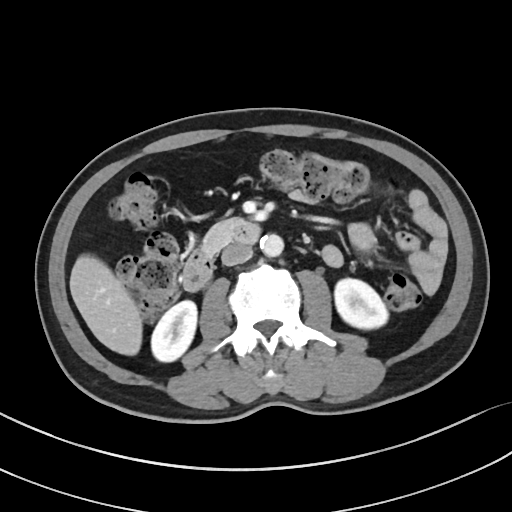 Abdominal CT. Axial slice 53/128. W/L 400/40 HU. 512x512 px
One row per box, in pixels: columns x1 and y1 give the top-left corner, x2 and y2 the bottom-right.
| organ | x1 | y1 | x2 | y2 |
|---|---|---|---|---|
| right kidney | 151 | 300 | 197 | 361 |
| left kidney | 334 | 278 | 388 | 328 |
| liver | 69 | 254 | 142 | 355 |
| aorta | 260 | 234 | 283 | 257 |
| inferior vena cava | 221 | 243 | 252 | 266 |
| pancreas | 201 | 218 | 242 | 255 |
| duodenum | 182 | 220 | 260 | 291 |